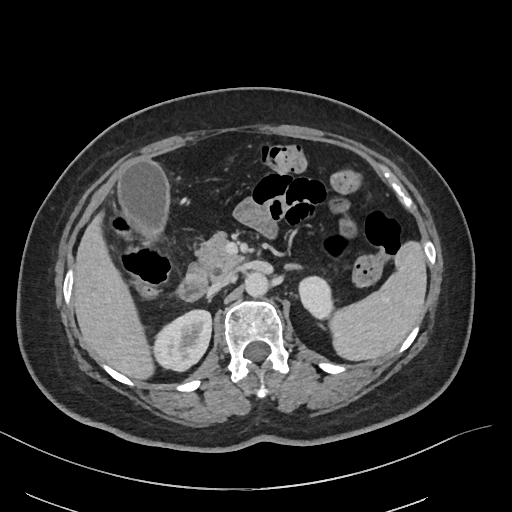 CT, abdomen/pelvis. axial view. soft-tissue window (W 400 / L 40). 512x512 px
{"organs":{"spleen":[327,242,426,359],"right kidney":[155,309,211,370],"left kidney":[297,274,333,319],"gall bladder":[118,158,168,238],"liver":[74,212,152,377],"aorta":[244,271,267,296],"inferior vena cava":[213,270,234,286],"pancreas":[188,232,243,278],"left adrenal gland":[283,264,299,269],"duodenum":[177,273,206,301]}}